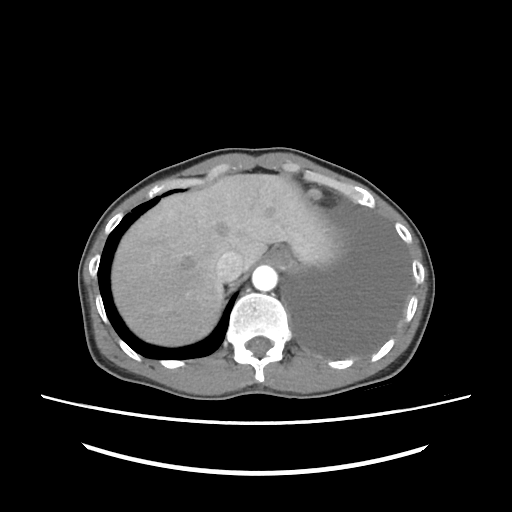

CT abdomen — axial plane, index 73 — soft-tissue window (W 400 / L 40)
{"organs":{"liver":[111,174,339,345],"esophagus":[269,248,294,269],"aorta":[252,265,277,291],"inferior vena cava":[216,251,243,281]}}